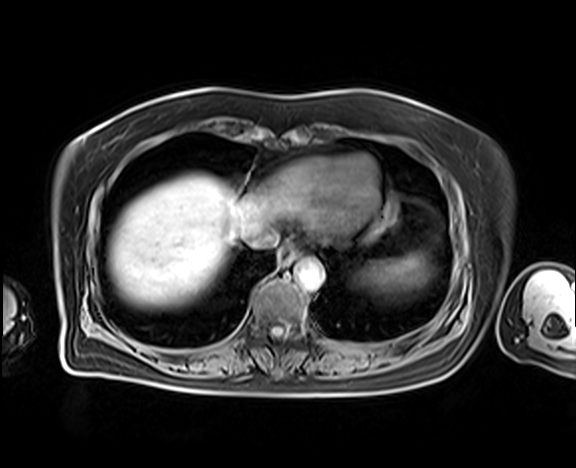 MRI, abdomen — axial plane, index 55
{"organs":{"spleen":[368,256,427,290],"esophagus":[279,248,297,264],"liver":[108,174,261,305],"aorta":[295,259,324,290],"inferior vena cava":[241,221,278,248]}}